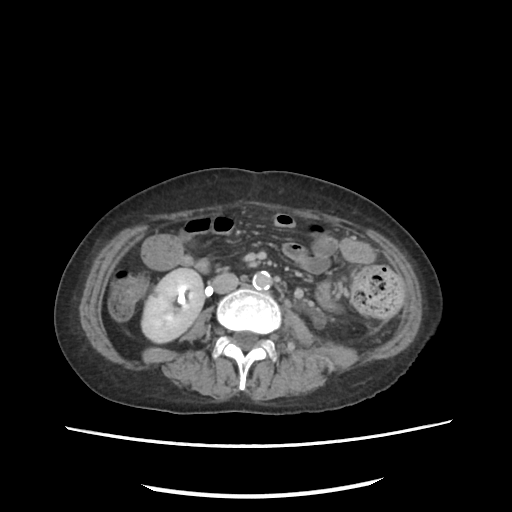 Computed tomography, abdomen; axial view
Organ boxes in pixel coordinates; each row gives the top-left (x1, y1) and bottom-right (x2, y2) corners.
| organ | x1 | y1 | x2 | y2 |
|---|---|---|---|---|
| right kidney | 141 | 268 | 204 | 343 |
| inferior vena cava | 212 | 273 | 238 | 293 |
| aorta | 252 | 271 | 271 | 290 |